Abdominal CT — axial view — 55-year-old male patient
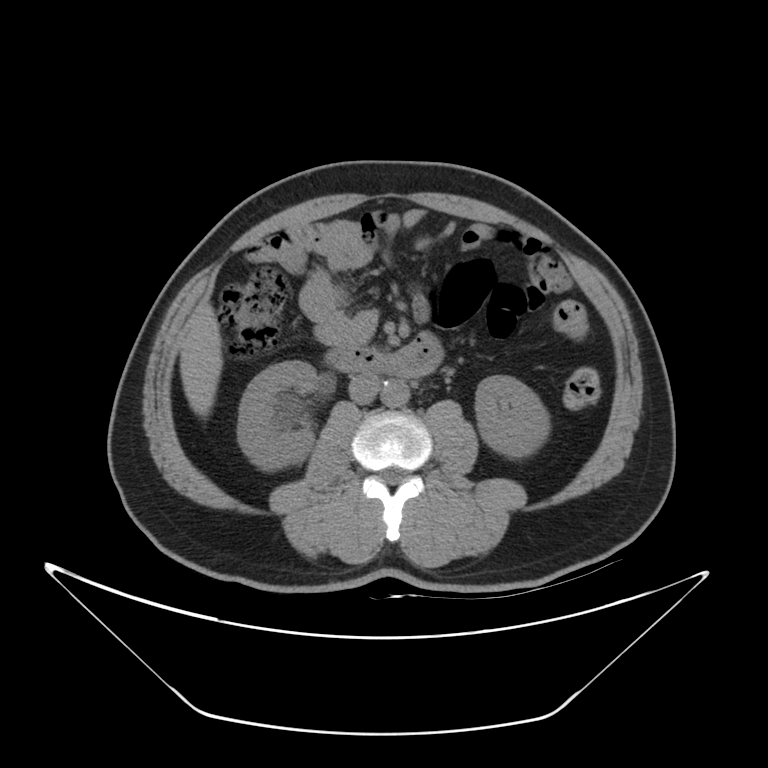
{"organs":{"right kidney":[237,360,317,470],"left kidney":[475,375,549,457],"liver":[180,302,222,417],"aorta":[380,380,409,407],"inferior vena cava":[349,374,381,403],"duodenum":[325,334,443,378]}}